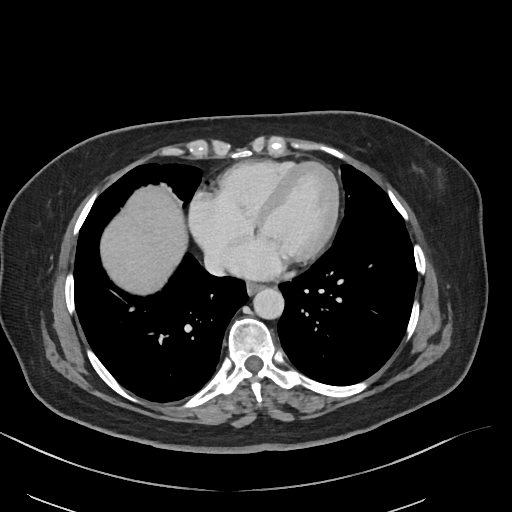 CT abdomen · axial view · soft-tissue window · 512x512 px · scan has 15 labeled organs (a whole-scan count: organs this slice does not pass through have no box)
Box edges are left/top/right/bottom in pixels.
Organ bounding boxes:
- esophagus: left=247, top=282, right=264, bottom=293
- liver: left=100, top=184, right=188, bottom=295
- aorta: left=253, top=288, right=284, bottom=318
- inferior vena cava: left=204, top=251, right=226, bottom=276